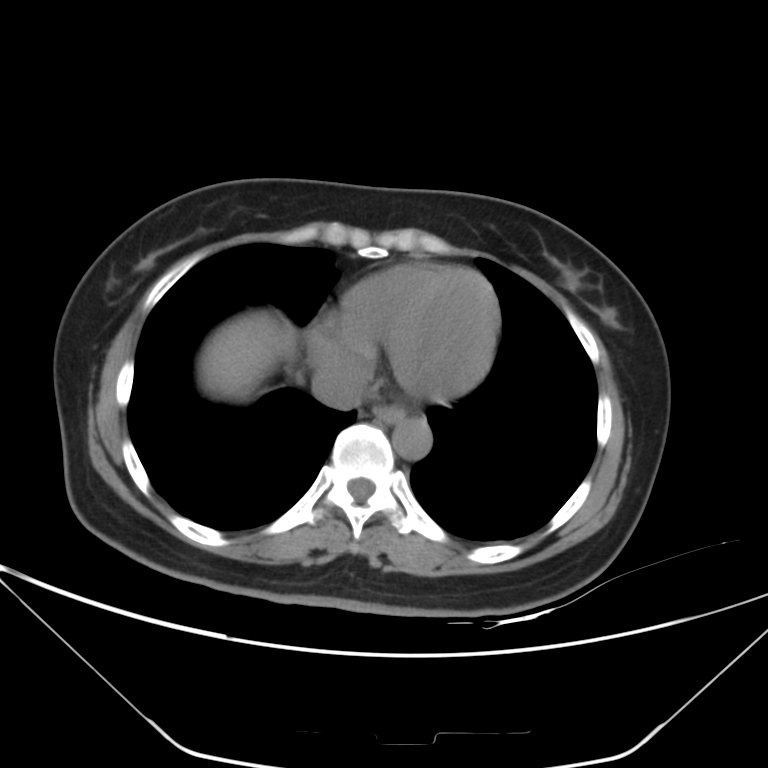

Abdominal CT · axial plane, index 81 · Brilliance16 scanner
Bounding boxes as [x1, y1, x2, y2] in pixel coordinates.
esophagus: [373, 404, 405, 424]
liver: [201, 317, 295, 394]
aorta: [392, 419, 432, 460]
inferior vena cava: [312, 357, 364, 410]